CT of the abdomen reaching into the lower chest, slice just above the liver and spleen — axial view — 512x512 px — acquired on SOMATOM Force
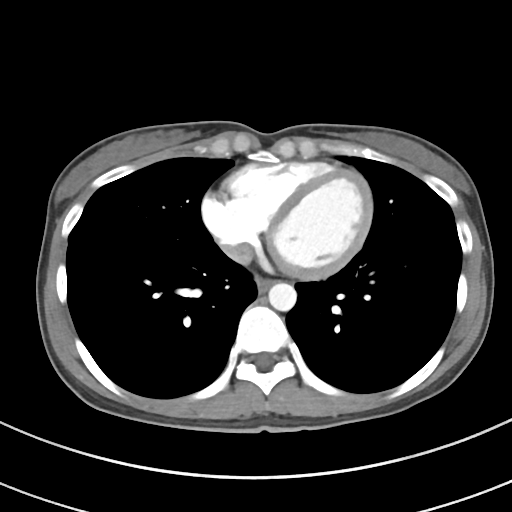

The heart and lungs are never labeled in this dataset, so they have no box on this slice.
Each box given as x1,y1,x2,y2.
esophagus: x1=256, y1=279, x2=272, y2=292
aorta: x1=268, y1=282, x2=297, y2=311
inferior vena cava: x1=223, y1=245, x2=251, y2=264